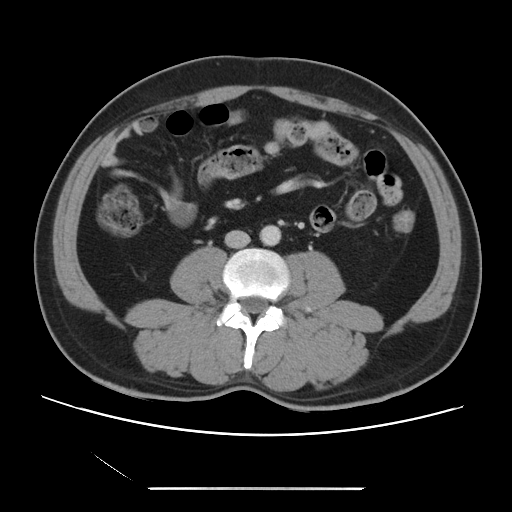
CT, abdomen/pelvis · axial view · soft-tissue window (W 400 / L 40) · 512x512 px
One row per box, in pixels: columns x1 and y1 give the top-left corner, x2 and y2 the bottom-right.
| organ | x1 | y1 | x2 | y2 |
|---|---|---|---|---|
| aorta | 260 | 225 | 280 | 245 |
| inferior vena cava | 225 | 230 | 250 | 248 |